MRI, abdomen · axial view · 1st–99th percentile window · 12 organs annotated in this scan (counted over the whole 3D scan, not this slice; an organ is boxed only where this slice passes through it)
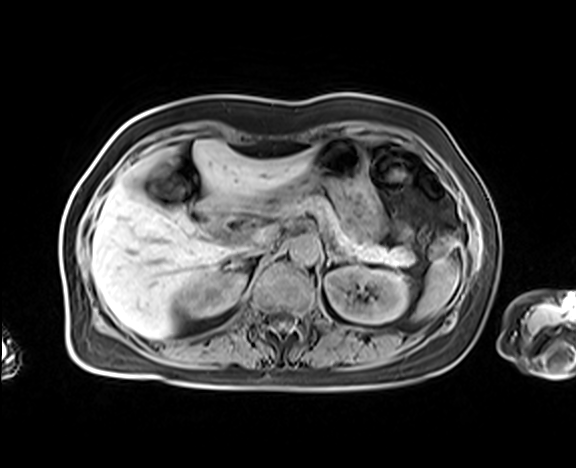 <organs><organ name="spleen" x1="414" y1="257" x2="460" y2="320"/><organ name="right kidney" x1="182" y1="271" x2="244" y2="317"/><organ name="left kidney" x1="325" y1="267" x2="409" y2="323"/><organ name="liver" x1="91" y1="139" x2="315" y2="338"/><organ name="stomach" x1="259" y1="141" x2="384" y2="240"/><organ name="aorta" x1="289" y1="235" x2="320" y2="264"/><organ name="inferior vena cava" x1="239" y1="239" x2="271" y2="256"/><organ name="pancreas" x1="282" y1="195" x2="414" y2="263"/><organ name="left adrenal gland" x1="325" y1="245" x2="345" y2="266"/><organ name="duodenum" x1="209" y1="215" x2="218" y2="220"/></organs>